Computed tomography, abdomen · axial view · 48-year-old female patient
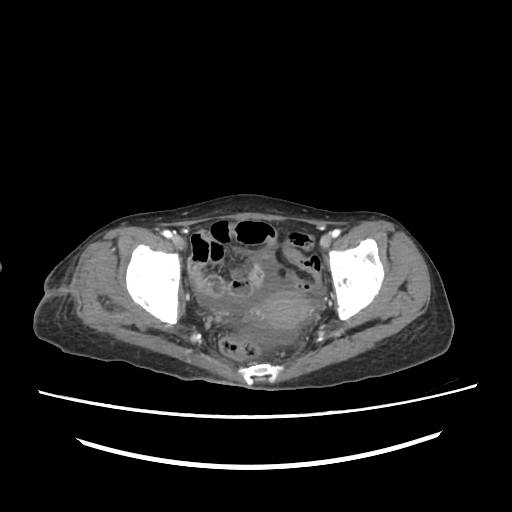

{"organs":{"prostate/uterus":[253,291,312,329]}}